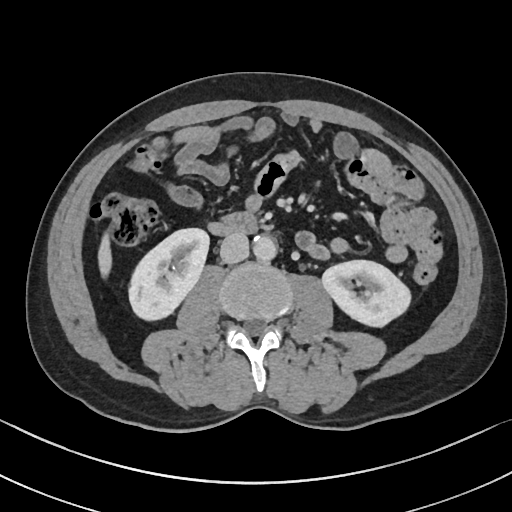
Computed tomography, abdomen; axial view
Bounding boxes as [x1, y1, x2, y2] in pixel coordinates.
Organ bounding boxes:
- right kidney: [128, 228, 208, 320]
- left kidney: [322, 260, 410, 326]
- liver: [98, 234, 112, 277]
- aorta: [253, 236, 277, 261]
- inferior vena cava: [220, 233, 248, 263]
- duodenum: [221, 213, 256, 234]